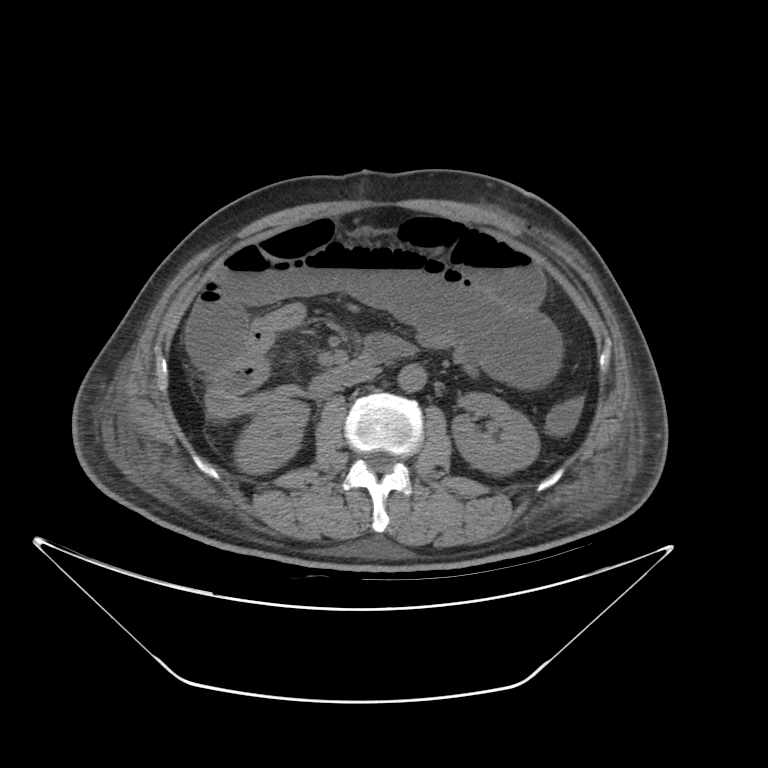 Computed tomography, abdomen · Axial slice 60/99 · abdomen soft-tissue window · 768x768 px · 66-year-old male patient · scan has 15 labeled organs (counted over the whole 3D scan, not this slice; an organ is boxed only where this slice passes through it)
Boxes: x1 y1 x2 y2 (pixel coords, space-separated). The annotated organs in this slice are: right kidney at 237 400 308 473, aorta at 398 361 423 391, left kidney at 451 392 539 474, inferior vena cava at 342 369 377 388, duodenum at 308 333 420 398.